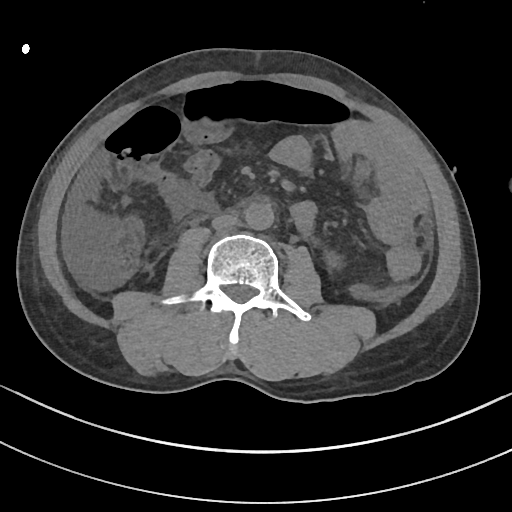 Computed tomography, abdomen · axial view
{"organs":{"left kidney":[326,253,342,269],"inferior vena cava":[211,214,237,230],"aorta":[244,203,273,229]}}